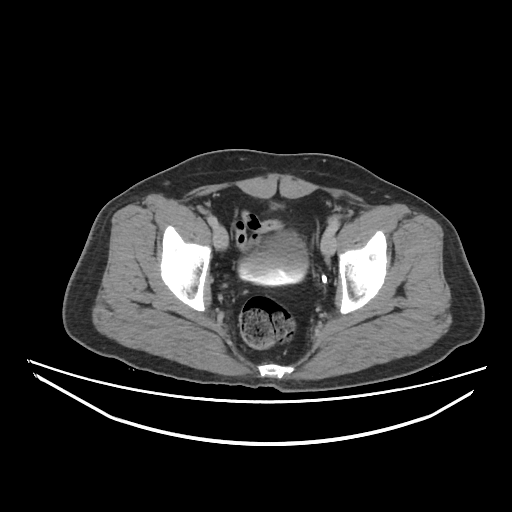

CT abdomen — Axial slice 34/115 — 512x512 px — 55-year-old male patient
Box edges are left/top/right/bottom in pixels.
Organ bounding boxes:
- bladder: left=237, top=233, right=306, bottom=286